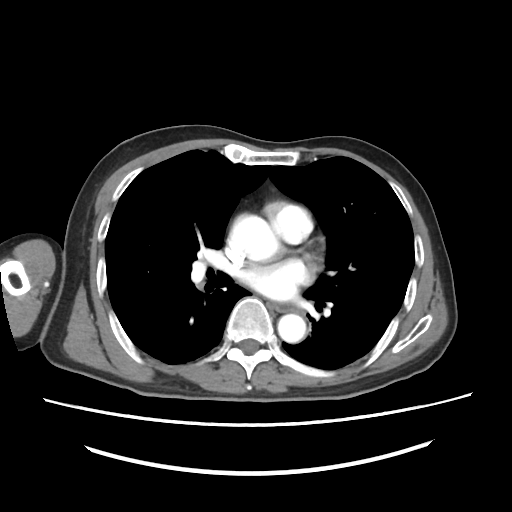
CT of the abdomen extending into the chest, slice through the chest; Axial slice 104/132; W/L 400/40 HU; acquired on Aquilion ONE
At this level of the chest this dataset labels only the esophagus and the aorta, and each is boxed only where it is labeled; the heart and lungs are never labeled.
{"organs":{"esophagus":[270,303,306,315],"aorta":[[232,216,278,260],[278,313,307,345]]}}